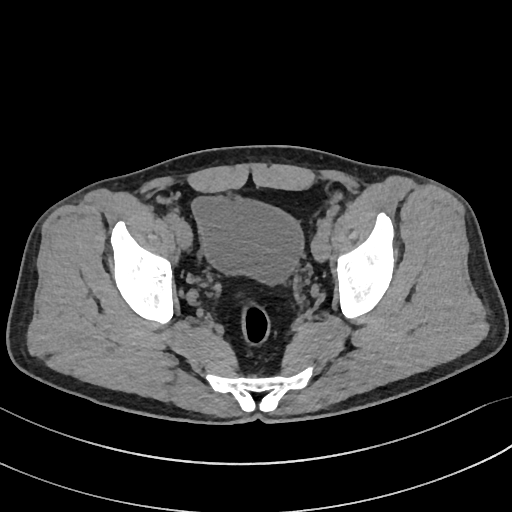

Computed tomography, abdomen. Axial slice 51/228. soft-tissue window (W 400 / L 40)
Boxes: x1 y1 x2 y2 (pixel coords, space-separated).
bladder: 192 197 302 282